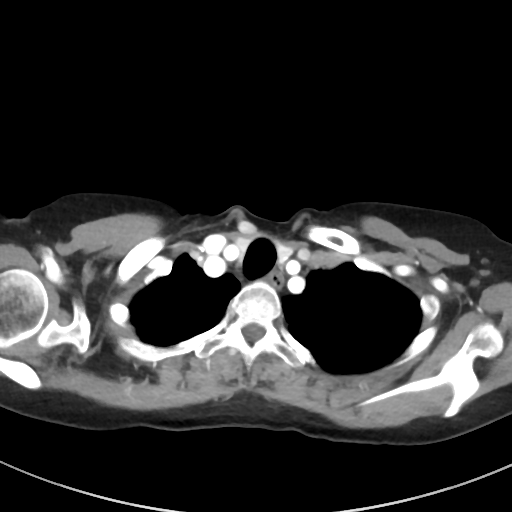

Abdominal CT reaching into the chest; this slice is in the chest; Axial slice 114/116; W/L 400/40 HU; SOMATOM Force scanner
At this level of the chest this dataset labels only the esophagus and the aorta, and each is boxed only where it is labeled; the heart and lungs are never labeled.
Each box given as x1,y1,x2,y2.
Organ bounding boxes:
- esophagus: x1=269, y1=273, x2=283, y2=289